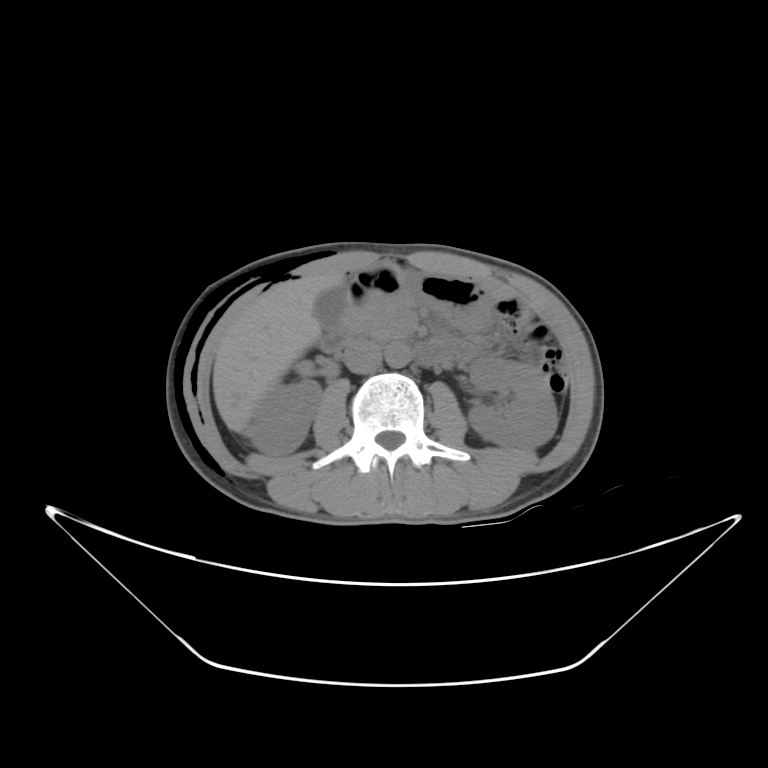 Abdominal CT; axial view; W/L 400/40 HU; Brilliance16 scanner
Organ boxes in pixel coordinates; each row gives the top-left (x1, y1) and bottom-right (x2, y2) corners.
| organ | x1 | y1 | x2 | y2 |
|---|---|---|---|---|
| left kidney | 467 | 354 | 555 | 451 |
| duodenum | 322 | 297 | 449 | 368 |
| stomach | 345 | 257 | 496 | 327 |
| inferior vena cava | 343 | 342 | 380 | 373 |
| right kidney | 251 | 379 | 322 | 457 |
| pancreas | 355 | 298 | 414 | 333 |
| gall bladder | 313 | 286 | 346 | 329 |
| liver | 212 | 271 | 349 | 435 |
| aorta | 384 | 343 | 412 | 366 |